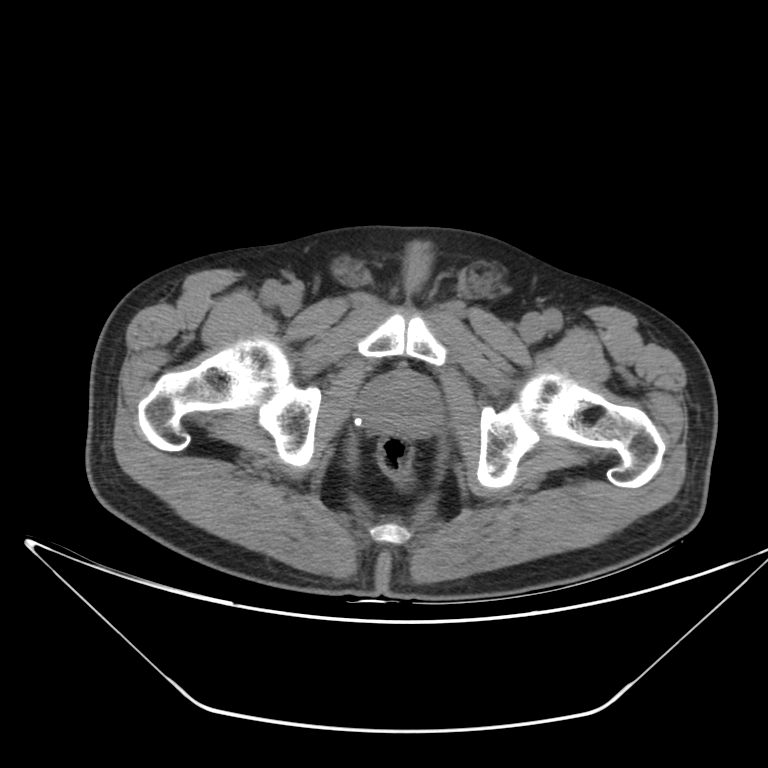 Computed tomography, abdomen; Axial slice 12/93; soft-tissue window; 768x768 px; 56-year-old male patient
Boxes are (x1, y1, x2, y2) in pixels.
prostate/uterus: (360, 371, 440, 437)